Chest-level slice from an abdominal CT that extends up into the chest · Axial slice 100/131 · 512x512 px · 40-year-old male patient · scan has 15 labeled organs (that count is for the whole scan; organs this slice misses have no box)
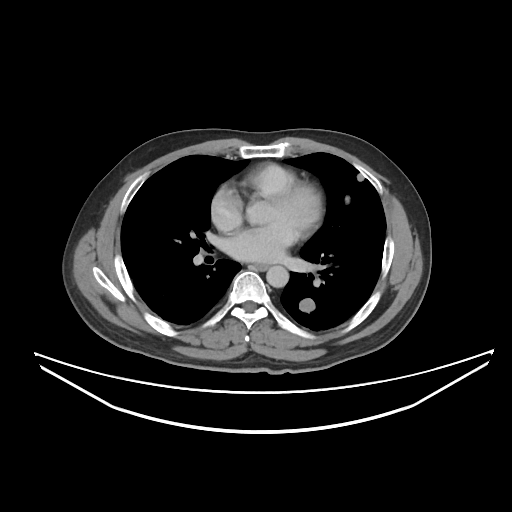
At this level of the chest this dataset labels only the esophagus and the aorta, and each is boxed only where it is labeled; the heart and lungs are never labeled.
Coordinates as <box>x1,y1,x2,y2</box> in pixels.
aorta: <box>266,265,288,287</box>
esophagus: <box>253,263,268,270</box>